Computed tomography, abdomen. Axial slice 49/112. 512x512 px
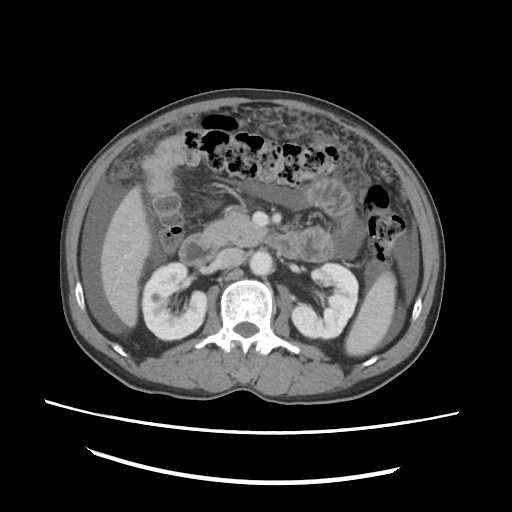 Bounding boxes in pixels, one row per box: x1, y1 is the top-left corner and x2, y2 the bottom-right.
| organ | x1 | y1 | x2 | y2 |
|---|---|---|---|---|
| left kidney | 291 | 263 | 358 | 338 |
| inferior vena cava | 215 | 248 | 243 | 268 |
| spleen | 345 | 271 | 395 | 355 |
| pancreas | 200 | 210 | 264 | 247 |
| aorta | 249 | 250 | 272 | 275 |
| liver | 100 | 186 | 150 | 327 |
| duodenum | 179 | 232 | 300 | 265 |
| right kidney | 142 | 262 | 206 | 340 |